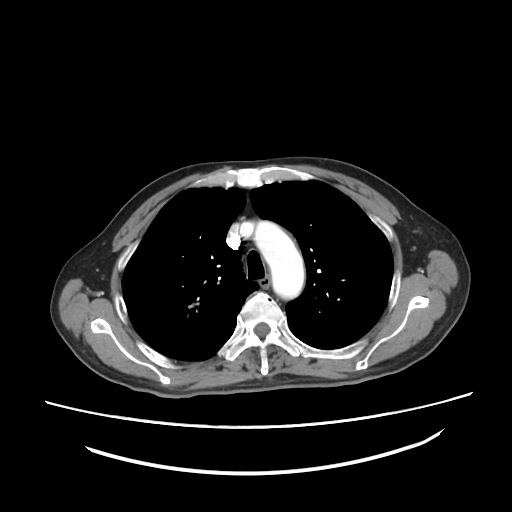 Chest-level CT slice, above the liver and spleen; axial view; W/L 400/40 HU
At this level of the chest this dataset labels only the esophagus and the aorta, and each is boxed only where it is labeled; the heart and lungs are never labeled.
{"organs":{"aorta":[253,221,304,299],"esophagus":[259,278,269,288]}}